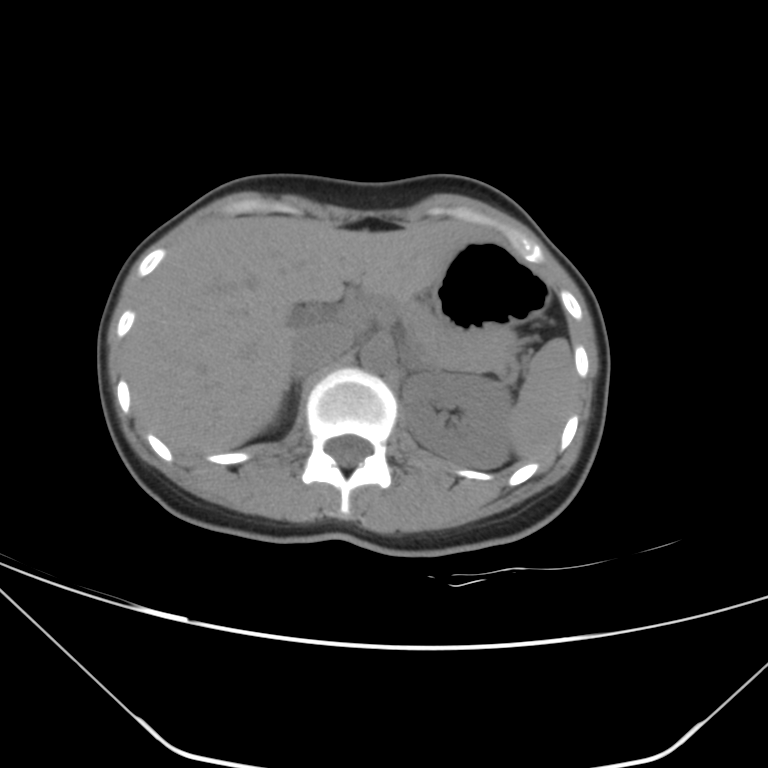

Abdominal CT — axial plane, index 57 — soft-tissue window — 768x768 px — 15 organs annotated in this scan (that count is for the whole scan; organs this slice misses have no box)
Bounding boxes in pixels, one row per box: x1, y1 is the top-left corner and x2, y2 the bottom-right.
| organ | x1 | y1 | x2 | y2 |
|---|---|---|---|---|
| spleen | 509 | 338 | 577 | 462 |
| left kidney | 400 | 373 | 512 | 468 |
| gall bladder | 292 | 310 | 311 | 325 |
| liver | 124 | 216 | 495 | 455 |
| stomach | 430 | 238 | 550 | 336 |
| aorta | 361 | 342 | 394 | 372 |
| inferior vena cava | 290 | 323 | 353 | 375 |
| pancreas | 393 | 299 | 520 | 377 |
| right adrenal gland | 286 | 378 | 301 | 394 |
| left adrenal gland | 400 | 346 | 429 | 371 |